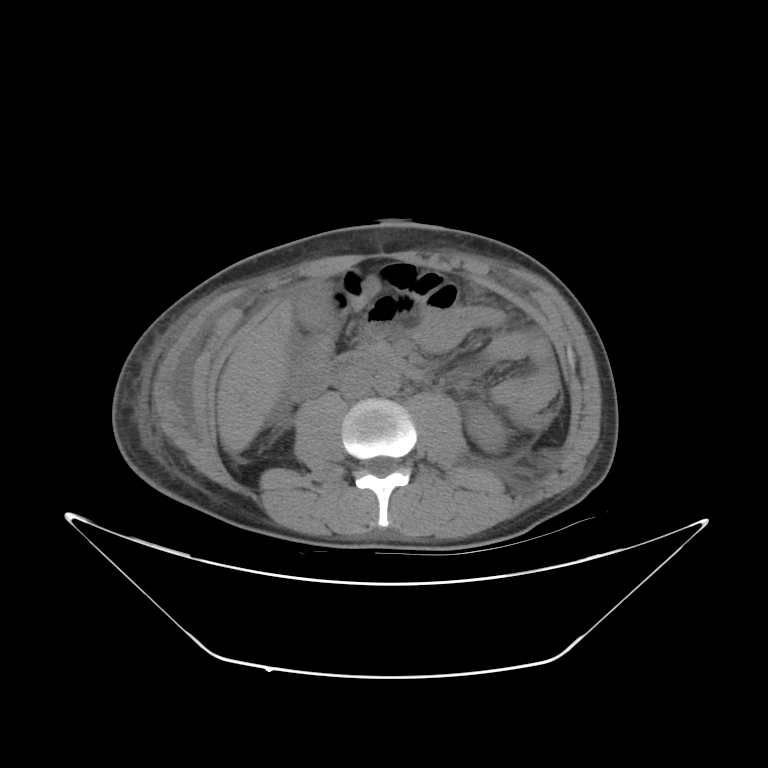

Abdominal CT — axial plane, index 53 — 39-year-old male patient — scan has 15 labeled organs (counted over the whole 3D scan, not this slice; an organ is boxed only where this slice passes through it)
Bounding boxes in pixels, one row per box: x1, y1 is the top-left corner and x2, y2 the bottom-right.
| organ | x1 | y1 | x2 | y2 |
|---|---|---|---|---|
| left kidney | 465 | 403 | 506 | 451 |
| gall bladder | 295 | 289 | 328 | 325 |
| liver | 217 | 300 | 292 | 448 |
| aorta | 373 | 370 | 399 | 395 |
| inferior vena cava | 338 | 370 | 372 | 399 |
| duodenum | 331 | 352 | 421 | 379 |